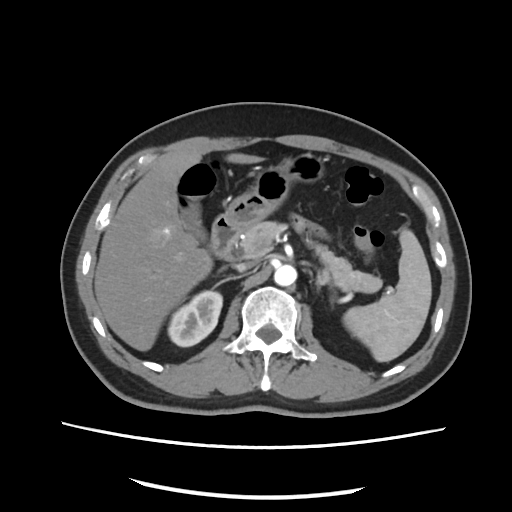 CT, abdomen/pelvis · axial view · 66-year-old male patient
Boxes: x1 y1 x2 y2 (pixel coords, space-separated). 11 labeled organs on this slice — spleen at 343 229 432 362; right kidney at 166 290 223 346; gall bladder at 182 202 206 241; liver at 94 151 263 350; stomach at 224 153 325 226; aorta at 274 265 296 287; inferior vena cava at 234 261 256 270; pancreas at 223 221 382 293; right adrenal gland at 217 265 227 272; left adrenal gland at 314 265 333 289; duodenum at 209 214 238 255.